CT, abdomen/pelvis. axial plane, index 130. 512x512 px. SOMATOM Force scanner
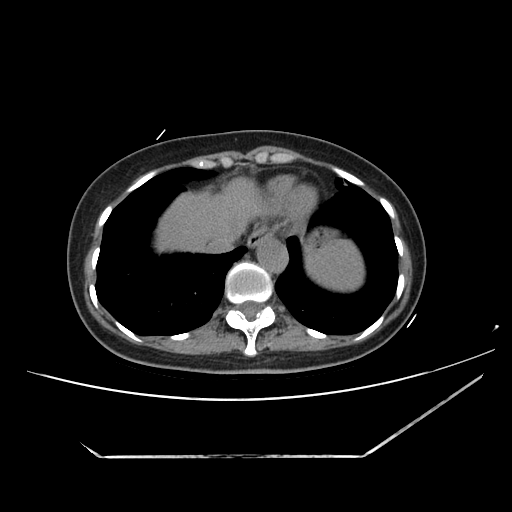
Bounding boxes as [x1, y1, x2, y2] in pixel coordinates.
Organ bounding boxes:
- spleen: [306, 240, 364, 291]
- esophagus: [247, 228, 269, 247]
- liver: [156, 177, 263, 251]
- stomach: [305, 229, 329, 248]
- aorta: [256, 237, 287, 272]
- inferior vena cava: [206, 230, 240, 253]